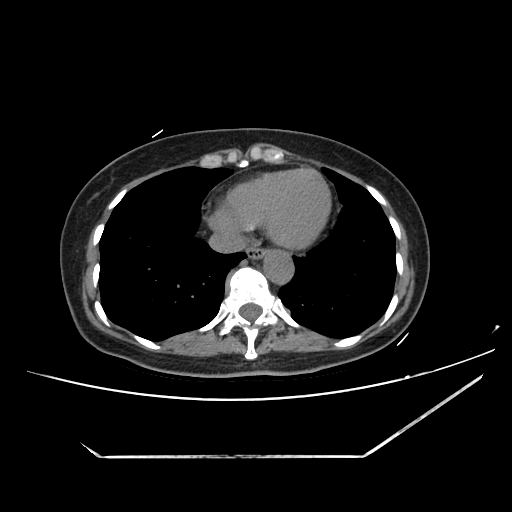

CT of the abdomen reaching into the lower chest, slice just above the liver and spleen; axial view; SOMATOM Force scanner
No part of the heart or lungs is labeled in this dataset, so neither has a box here.
Coordinates as <box>x1,y1,x2,y2</box> in pixels.
Organ bounding boxes:
- esophagus: <box>246,243,265,259</box>
- aorta: <box>263,250,293,284</box>
- inferior vena cava: <box>208,230,247,253</box>